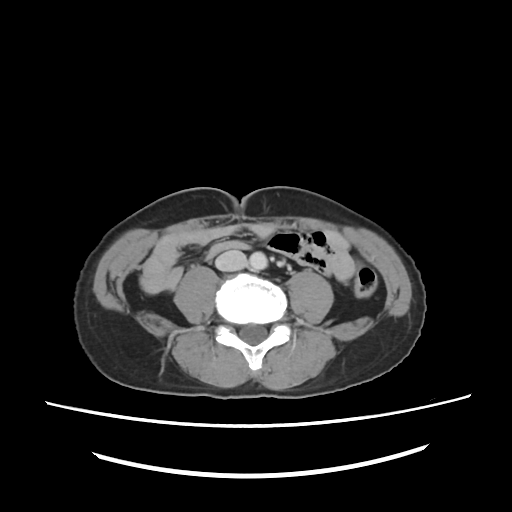 CT abdomen; axial view; 512x512 px; acquired on Aquilion ONE; scan has 15 labeled organs (counted over the whole 3D scan, not this slice; an organ is boxed only where this slice passes through it)
<organs><organ name="aorta" x1="247" y1="251" x2="267" y2="269"/><organ name="inferior vena cava" x1="215" y1="249" x2="246" y2="271"/></organs>